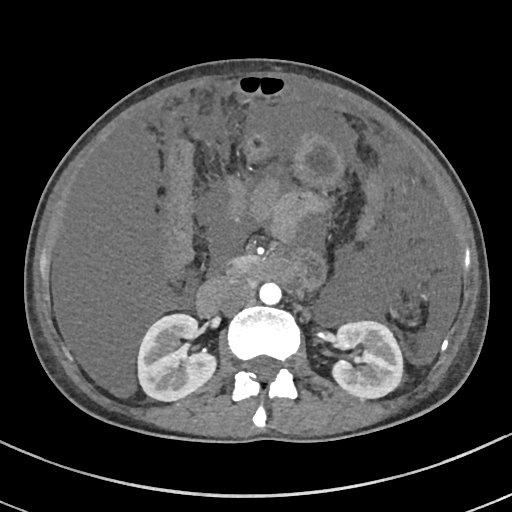
Computed tomography, abdomen. axial view
Coordinates as <box>x1,y1,x2,y2</box> in pixels. Labeled organs on this slice: right kidney at <box>137,314,217,401</box>, left kidney at <box>332,321,402,398</box>, stomach at <box>240,126,344,190</box>, aorta at <box>259,283,281,305</box>, inferior vena cava at <box>219,284,253,312</box>, pancreas at <box>219,255,257,281</box>, duodenum at <box>196,258,293,316</box>.